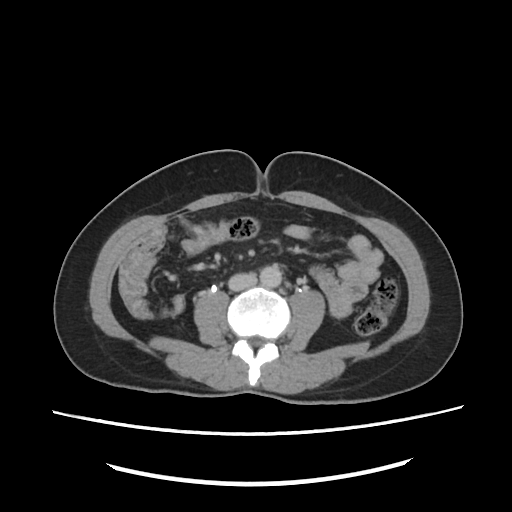
Computed tomography, abdomen · axial view · 50-year-old female patient
Boxes are (x1, y1, x2, y2) in pixels. The annotated organs in this slice are: aorta at (260, 263, 281, 287), inferior vena cava at (228, 273, 257, 291).